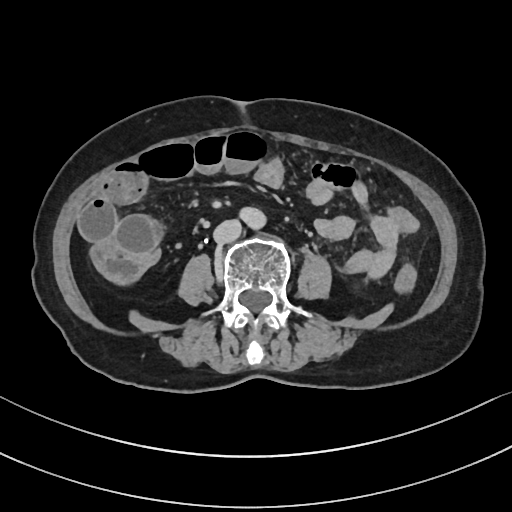 CT abdomen; axial view; abdomen soft-tissue window; acquired on SOMATOM Force
Each box given as x1,y1,x2,y2.
Organ bounding boxes:
- aorta: x1=240, y1=207, x2=266, y2=229
- inferior vena cava: x1=213, y1=219, x2=242, y2=243